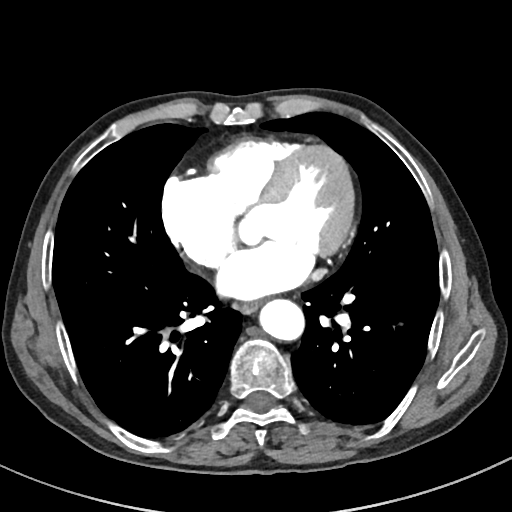 Abdominal CT; this slice is in the lower chest, just above the liver; axial plane, index 223; soft-tissue window (W 400 / L 40); 512x512 px
The heart and lungs are never labeled in this dataset, so they have no box on this slice.
<organs><organ name="esophagus" x1="240" y1="299" x2="265" y2="314"/><organ name="aorta" x1="260" y1="300" x2="306" y2="341"/></organs>